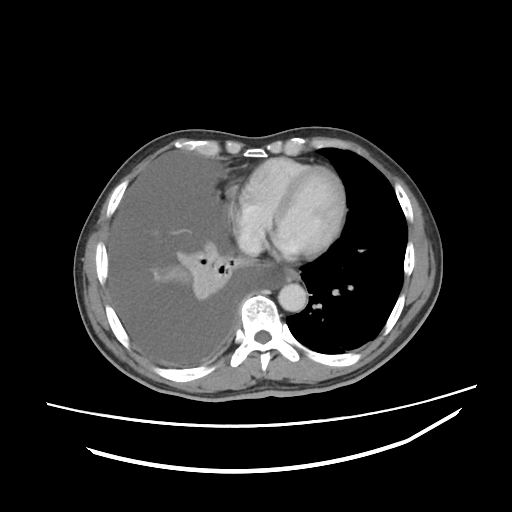 Abdominal CT; this slice is in the lower chest, just above the liver — axial plane, index 93 — 512x512 px — 15 organs annotated in this scan (counted over the whole 3D scan, not this slice; an organ is boxed only where this slice passes through it)
No part of the heart or lungs is labeled in this dataset, so neither has a box here.
{"organs":{"esophagus":[284,268,299,281],"aorta":[278,283,307,311],"inferior vena cava":[238,233,261,255]}}